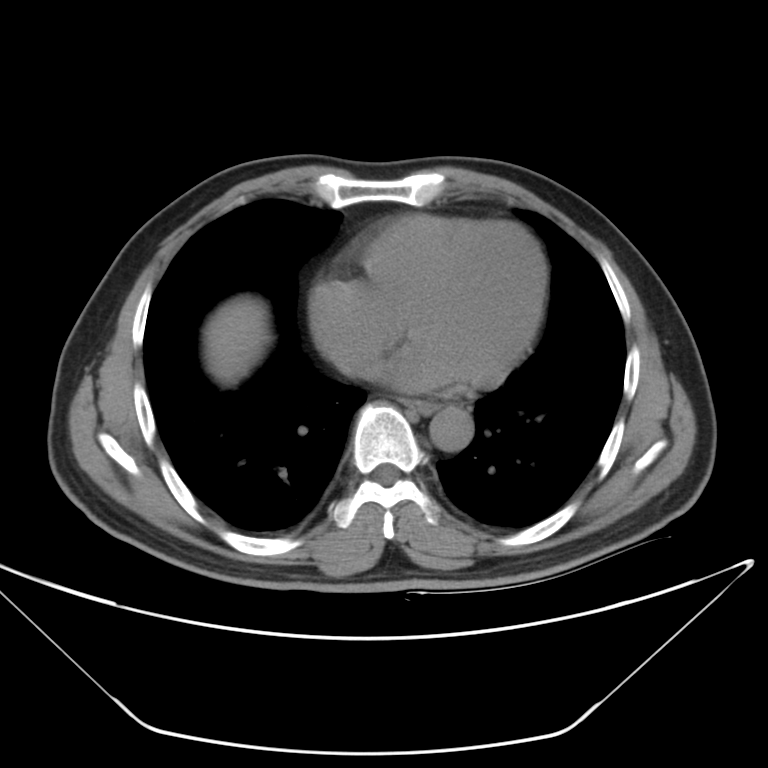 CT abdomen; axial view; W/L 400/40 HU; 45-year-old male patient; scan has 15 labeled organs (counted over the whole 3D scan, not this slice; an organ is boxed only where this slice passes through it)
Boxes are (x1, y1, x2, y2) in pixels. The annotated organs in this slice are: liver at (206, 304, 264, 377), aorta at (431, 405, 473, 449), esophagus at (413, 401, 437, 416).